Lower-chest slice from an abdominal CT, just above the liver and spleen · axial plane, index 338 · W/L 400/40 HU
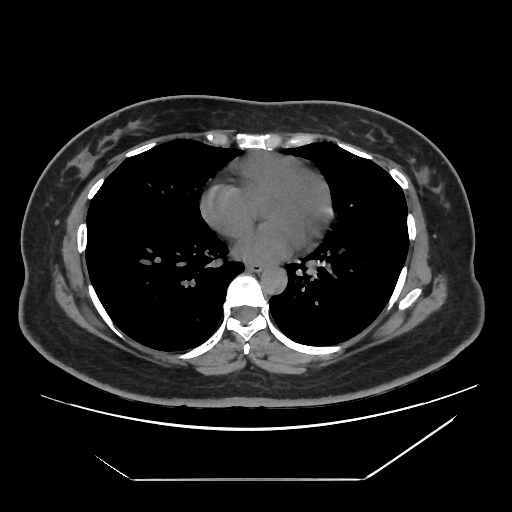
The heart and lungs are never labeled in this dataset, so they have no box on this slice.
Bounding boxes as [x1, y1, x2, y2] in pixel coordinates.
Organ bounding boxes:
- esophagus: [247, 264, 262, 271]
- aorta: [261, 267, 287, 294]